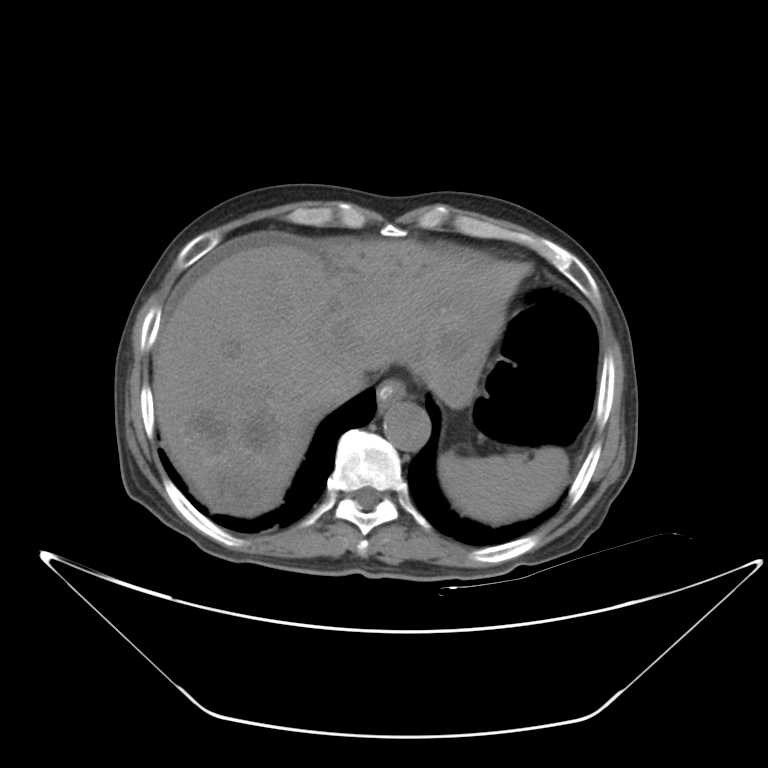

CT abdomen. axial view. 768x768 px. 64-year-old male patient. Brilliance16 scanner
Each box given as x1,y1,x2,y2.
Organ bounding boxes:
- esophagus: x1=376, y1=379, x2=408, y2=412
- liver: x1=153, y1=238, x2=526, y2=516
- aorta: x1=383, y1=401, x2=430, y2=451
- inferior vena cava: x1=326, y1=368, x2=364, y2=404
- spleen: x1=438, y1=446, x2=568, y2=524